CT of the abdomen reaching into the lower chest, slice just above the liver and spleen · axial view · scan has 15 labeled organs (counted over the whole 3D scan, not this slice; an organ is boxed only where this slice passes through it)
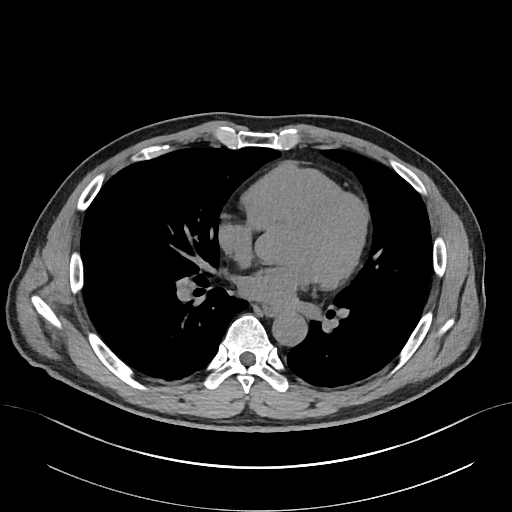
Of the structures in the chest, this dataset labels only the esophagus, the aorta and the inferior vena cava; the heart and lungs have no label.
{"organs":{"aorta":[271,313,307,346],"esophagus":[264,308,276,316]}}